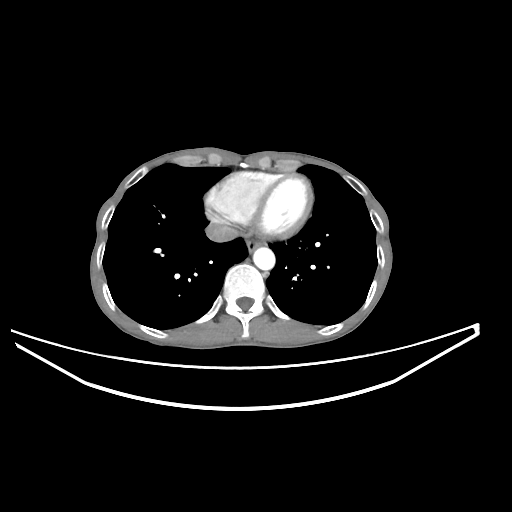
Abdominal CT; this slice is in the lower chest, just above the liver · axial view
Of the structures in the chest, this dataset labels only the esophagus, the aorta and the inferior vena cava; the heart and lungs have no label.
Coordinates as <box>x1,y1,x2,y2</box> in pixels.
Organ bounding boxes:
- esophagus: <box>245,239,260,252</box>
- aorta: <box>253,247,275,270</box>
- inferior vena cava: <box>205,222,238,242</box>